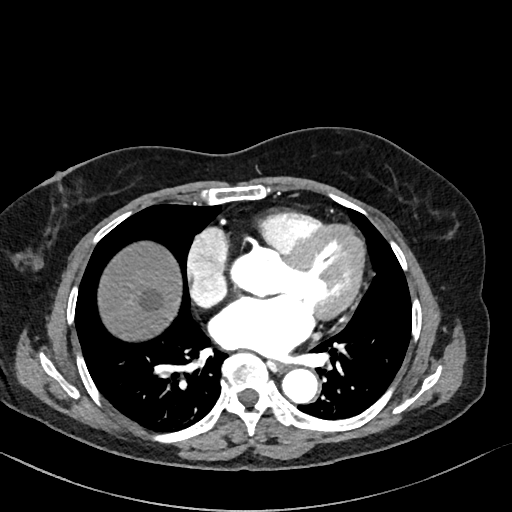
CT, abdomen/pelvis — axial view
Each box given as x1,y1,x2,y2. Labeled organs on this slice: liver at x1=98, y1=241, x2=181, y2=340, aorta at x1=282, y1=368, x2=320, y2=403, esophagus at x1=277, y1=362, x2=288, y2=371.